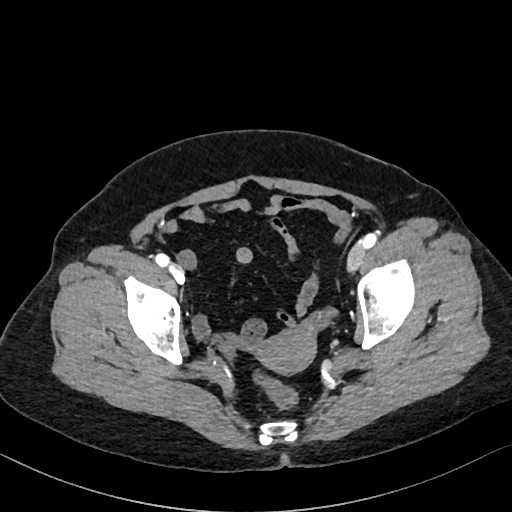
Abdominal CT · axial view · SOMATOM Force scanner
Bounding boxes as [x1, y1, x2, y2] in pixel coordinates.
Organ bounding boxes:
- prostate/uterus: [258, 325, 314, 373]